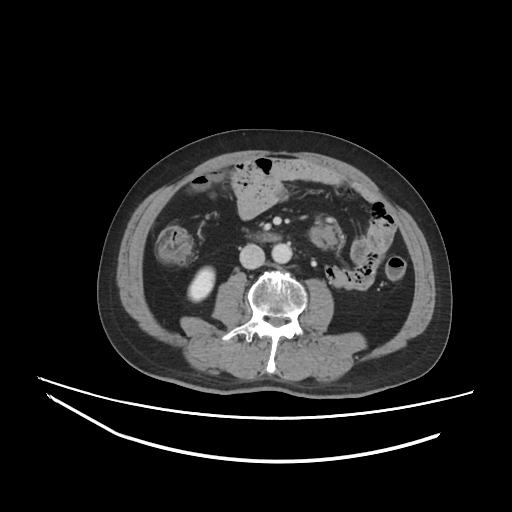 Computed tomography, abdomen. axial plane, index 50. abdomen soft-tissue window
Boxes: x1:y1:x2:y2 in pixels. The annotated organs in this slice are: aorta at 271:243:292:263, right kidney at 188:267:214:301, duodenum at 256:232:279:241, inferior vena cava at 239:244:264:268.